Abdominal CT; axial view
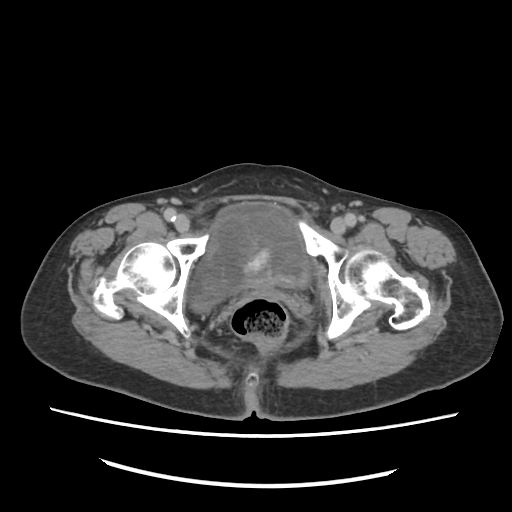

One row per box, in pixels: columns x1 and y1 give the top-left corner, x2 and y2 the bottom-right.
| organ | x1 | y1 | x2 | y2 |
|---|---|---|---|---|
| bladder | 189 | 203 | 308 | 309 |